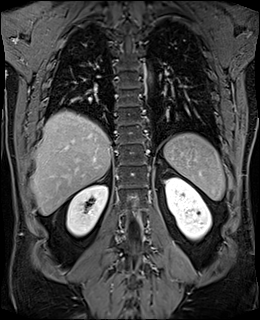
Abdominal MR. coronal view. 1st–99th percentile window. Prisma scanner
Organ boxes in pixel coordinates; each row gives the top-left (x1, y1) and bottom-right (x2, y2) corners.
| organ | x1 | y1 | x2 | y2 |
|---|---|---|---|---|
| spleen | 164 | 133 | 225 | 200 |
| right kidney | 67 | 185 | 107 | 236 |
| left kidney | 165 | 177 | 211 | 239 |
| liver | 31 | 111 | 111 | 215 |